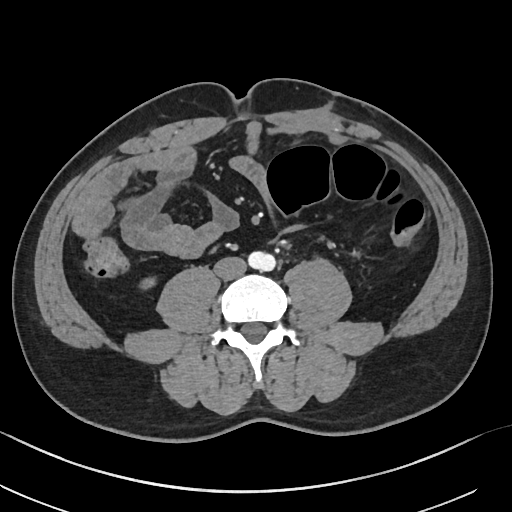

CT abdomen. axial view
Boxes: x1 y1 x2 y2 (pixel coords, space-separated). 3 labeled organs on this slice — aorta at 248 251 275 271; right kidney at 139 277 155 289; inferior vena cava at 214 256 246 280.